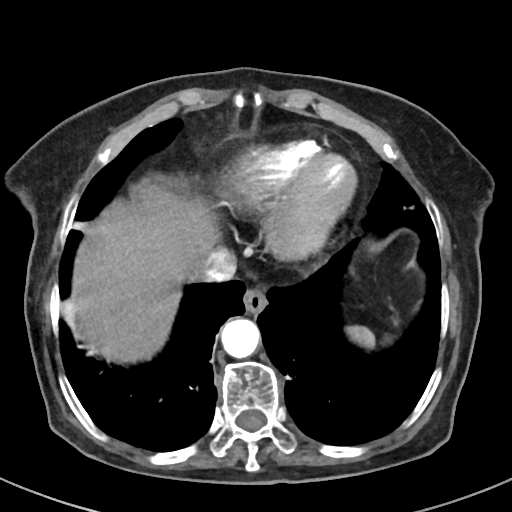 Computed tomography, abdomen — axial view — W/L 400/40 HU
One row per box, in pixels: columns x1 and y1 give the top-left corner, x2 and y2 the bottom-right.
| organ | x1 | y1 | x2 | y2 |
|---|---|---|---|---|
| aorta | 220 | 317 | 259 | 358 |
| inferior vena cava | 196 | 249 | 235 | 284 |
| liver | 70 | 182 | 213 | 360 |
| esophagus | 243 | 289 | 268 | 315 |
| spleen | 347 | 326 | 375 | 348 |